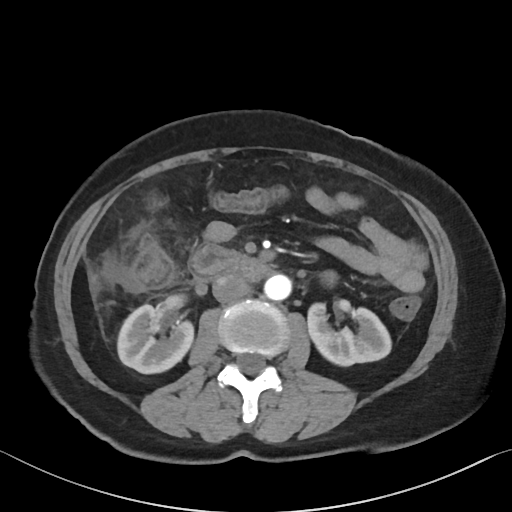
Abdominal CT — axial plane, index 49 — soft-tissue window — 15 organs annotated in this scan (counted over the whole 3D scan, not this slice; an organ is boxed only where this slice passes through it)
Boxes: x1 y1 x2 y2 (pixel coords, space-separated). 6 labeled organs on this slice — right kidney at 117 304 193 373; left kidney at 307 303 391 365; liver at 91 275 96 285; aorta at 264 274 291 300; inferior vena cava at 212 274 249 302; duodenum at 189 241 270 281.